Magnetic resonance imaging, abdomen — axial view
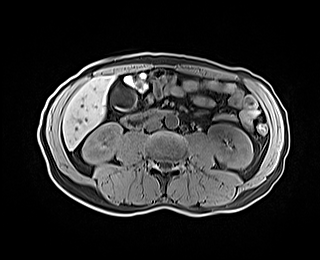
Organ boxes in pixel coordinates; each row gives the top-left (x1, y1) and bottom-right (x2, y2) corners.
| organ | x1 | y1 | x2 | y2 |
|---|---|---|---|---|
| right kidney | 82 | 122 | 122 | 163 |
| left kidney | 208 | 123 | 252 | 168 |
| gall bladder | 111 | 85 | 137 | 111 |
| liver | 62 | 76 | 113 | 149 |
| aorta | 165 | 114 | 178 | 128 |
| inferior vena cava | 145 | 118 | 161 | 130 |
| duodenum | 121 | 110 | 167 | 130 |